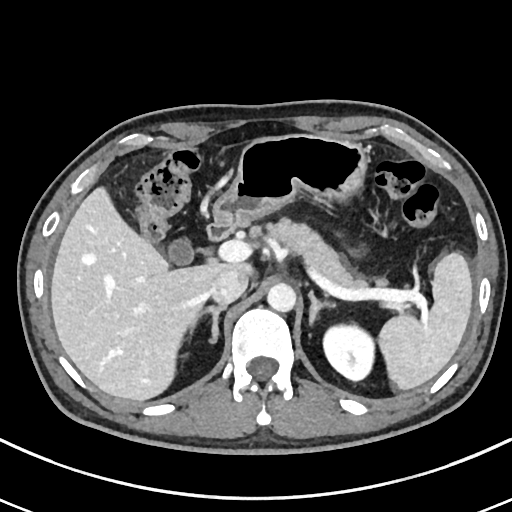
Abdominal CT; axial view; 512x512 px; 15 organs annotated in this scan (a whole-scan count: organs this slice does not pass through have no box)
Boxes are (x1, y1, x2, y2) in pixels. The annotated organs in this slice are: spleen at (377, 252, 471, 389), left kidney at (323, 325, 374, 381), gall bladder at (168, 239, 192, 265), liver at (51, 136, 273, 401), stomach at (214, 134, 368, 226), aorta at (267, 283, 296, 312), inferior vena cava at (209, 270, 248, 306), pancreas at (272, 219, 362, 287), right adrenal gland at (189, 306, 226, 342), left adrenal gland at (309, 292, 337, 327), duodenum at (208, 218, 236, 239).